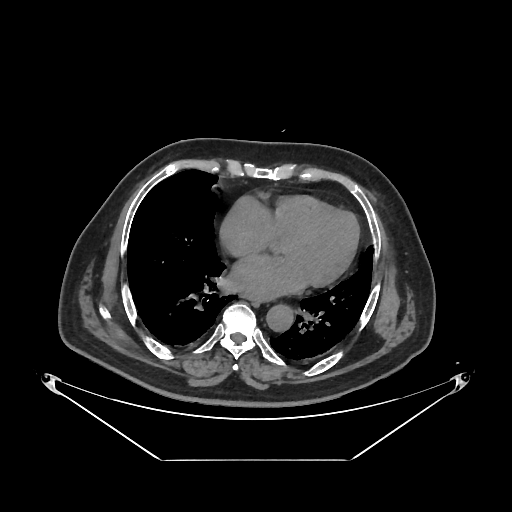

Abdominal CT; this slice is in the lower chest, just above the liver. axial view. soft-tissue window. 512x512 px. 15 organs annotated in this scan (counted over the whole 3D scan, not this slice; an organ is boxed only where this slice passes through it)
No part of the heart or lungs is labeled in this dataset, so neither has a box here.
<organs><organ name="esophagus" x1="244" y1="295" x2="266" y2="301"/><organ name="aorta" x1="266" y1="304" x2="293" y2="331"/></organs>